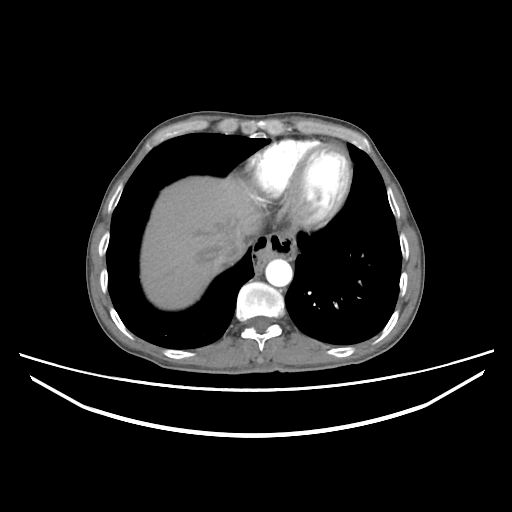
Abdominal CT. axial view. 50-year-old male patient
Organ boxes in pixel coordinates; each row gives the top-left (x1, y1) and bottom-right (x2, y2) corners.
| organ | x1 | y1 | x2 | y2 |
|---|---|---|---|---|
| liver | 141 | 176 | 261 | 309 |
| aorta | 265 | 259 | 292 | 286 |
| inferior vena cava | 215 | 240 | 245 | 265 |